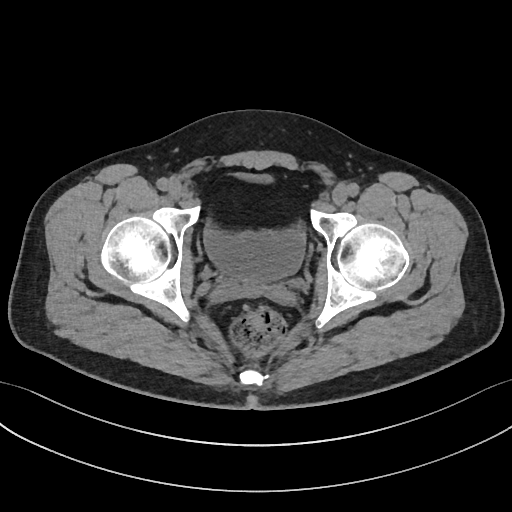

Computed tomography, abdomen; axial view; 512x512 px; acquired on SOMATOM Force; 15 organs annotated in this scan (a whole-scan count: organs this slice does not pass through have no box)
Boxes are (x1, y1, x2, y2) in pixels.
bladder: (203, 226, 305, 282)